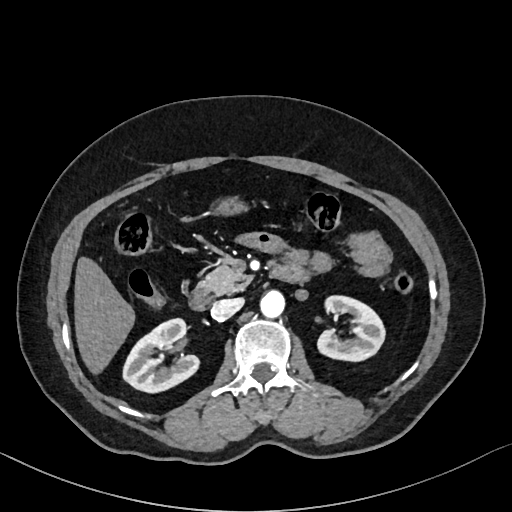
CT abdomen · axial plane, index 138 · soft-tissue window (W 400 / L 40) · scan has 15 labeled organs (counted over the whole 3D scan, not this slice; an organ is boxed only where this slice passes through it)
Bounding boxes as [x1, y1, x2, y2] in pixel coordinates. Labeled organs on this slice: liver at [74, 257, 135, 374], right kidney at [123, 318, 198, 392], aorta at [260, 290, 284, 317], inferior vena cava at [211, 298, 243, 320], duodenum at [190, 261, 307, 310], left kidney at [318, 295, 384, 361], stomach at [217, 200, 248, 216], pancreas at [198, 265, 252, 294].